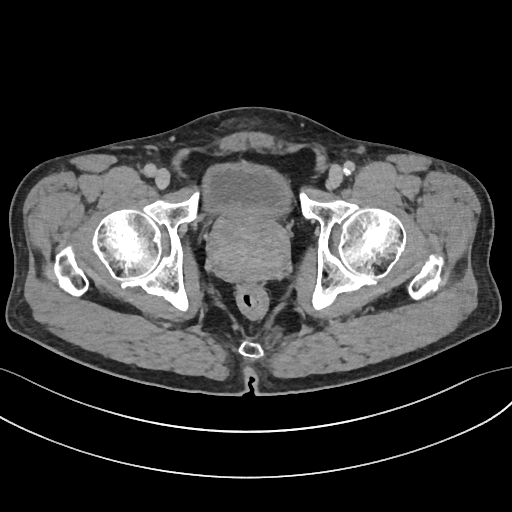
CT, abdomen/pelvis. axial view
<organs><organ name="bladder" x1="199" y1="161" x2="292" y2="218"/><organ name="prostate/uterus" x1="210" y1="210" x2="288" y2="280"/></organs>